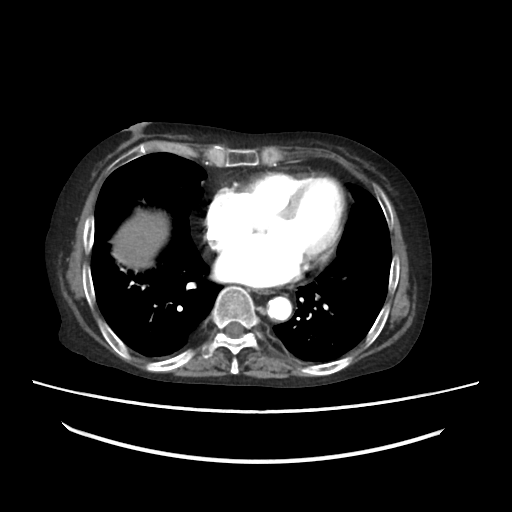 Computed tomography, abdomen — axial view — Aquilion ONE scanner
Bounding boxes as [x1, y1, x2, y2] in pixel coordinates.
Organ bounding boxes:
- aorta: [268, 298, 292, 320]
- esophagus: [254, 287, 275, 295]
- liver: [113, 209, 167, 272]